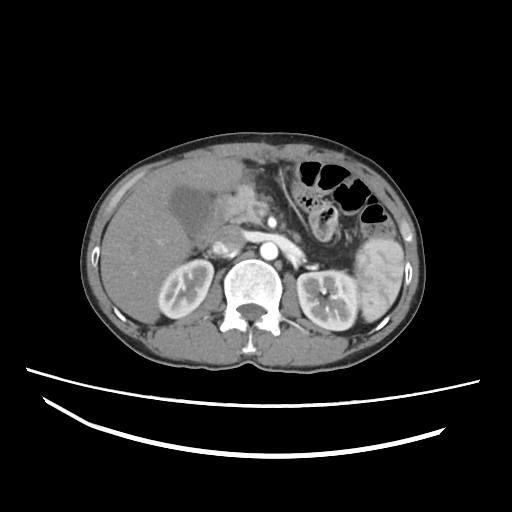
Abdominal CT; Axial slice 73/140; soft-tissue window; 512x512 px; 40-year-old male patient; 15 organs annotated in this scan (a whole-scan count: organs this slice does not pass through have no box)
Boxes: x1:y1:x2:y2 in pixels.
spleen: 355:238:403:322
right kidney: 158:259:213:318
left kidney: 297:270:359:330
gall bladder: 169:187:211:237
liver: 100:156:242:323
aorta: 260:242:277:260
inferior vena cava: 212:226:245:254
pancreas: 225:185:261:224
duodenum: 196:193:229:248